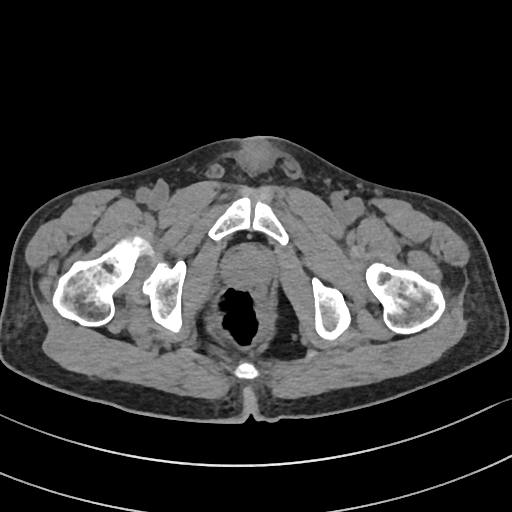 CT abdomen; Axial slice 11/206; W/L 400/40 HU
Boxes are (x1, y1, x2, y2) in pixels.
Organ bounding boxes:
- prostate/uterus: (224, 247, 270, 289)